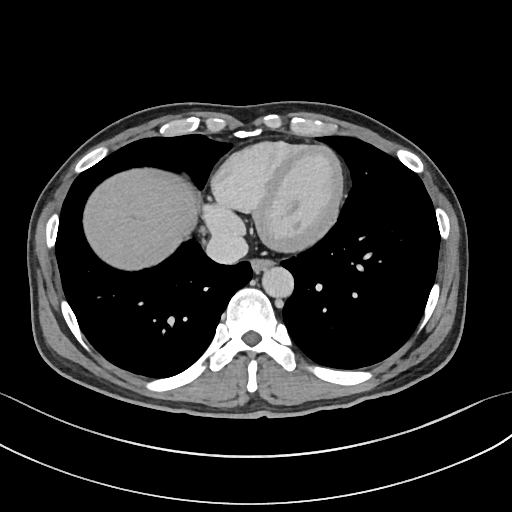

CT, abdomen/pelvis; axial view; scan has 14 labeled organs (a whole-scan count: organs this slice does not pass through have no box)
Box edges are left/top/right/bottom in pixels.
esophagus: left=251, top=260, right=273, bottom=273
liver: left=82, top=169, right=197, bottom=269
aorta: left=262, top=267, right=294, bottom=298
inferior vena cava: left=206, top=231, right=248, bottom=263